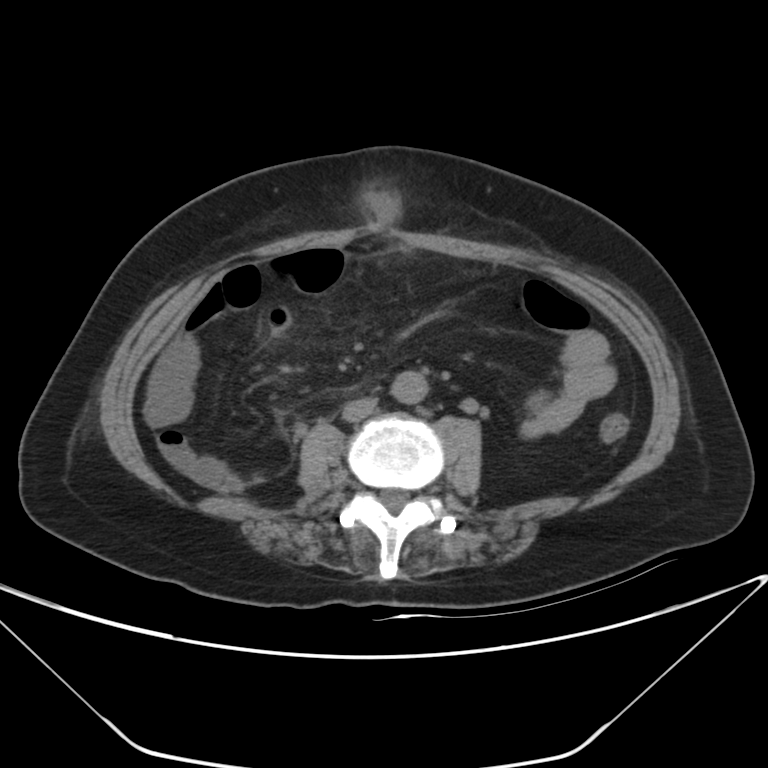 Computed tomography, abdomen; axial view; 66-year-old female patient; Brilliance16 scanner
<organs><organ name="aorta" x1="391" y1="371" x2="428" y2="404"/><organ name="inferior vena cava" x1="343" y1="397" x2="376" y2="421"/></organs>